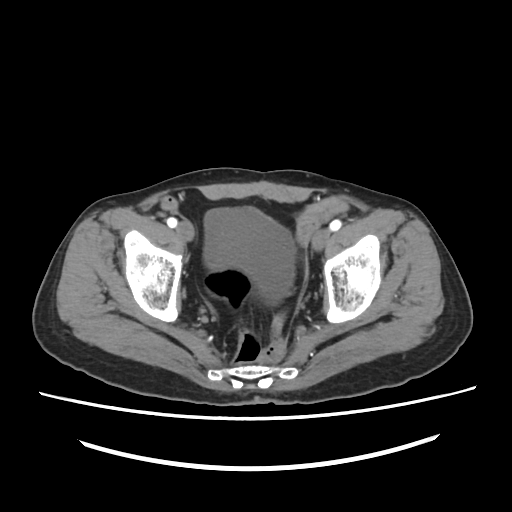 Abdominal CT — axial view — 65-year-old male patient — 15 organs annotated in this scan (that count is for the whole scan; organs this slice misses have no box)
Bounding boxes as [x1, y1, x2, y2] in pixel coordinates.
bladder: [203, 207, 295, 304]